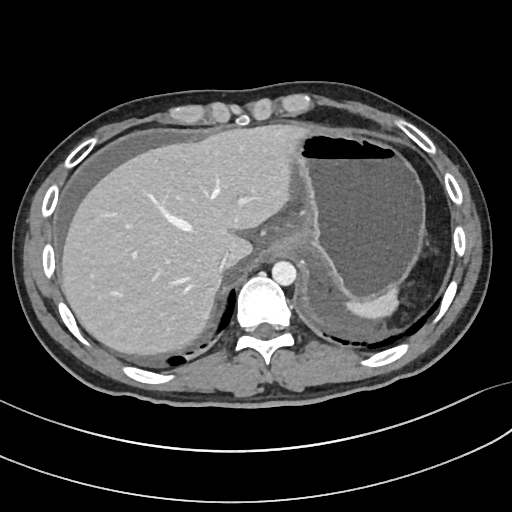
Computed tomography, abdomen. Axial slice 209/251. W/L 400/40 HU. SOMATOM Force scanner. scan has 15 labeled organs (counted over the whole 3D scan, not this slice; an organ is boxed only where this slice passes through it)
{"organs":{"aorta":[272,261,297,285],"liver":[62,126,304,353],"stomach":[267,131,425,300],"inferior vena cava":[220,252,229,271],"spleen":[344,287,398,320]}}